Abdominal CT — axial view — W/L 400/40 HU
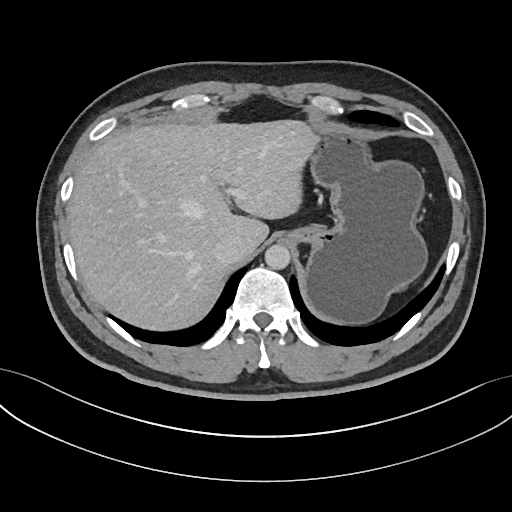

Organ boxes in pixel coordinates; each row gives the top-left (x1, y1) and bottom-right (x2, y2) corners.
| organ | x1 | y1 | x2 | y2 |
|---|---|---|---|---|
| liver | 67 | 120 | 318 | 330 |
| stomach | 288 | 128 | 427 | 324 |
| aorta | 265 | 244 | 290 | 269 |
| inferior vena cava | 213 | 235 | 245 | 264 |